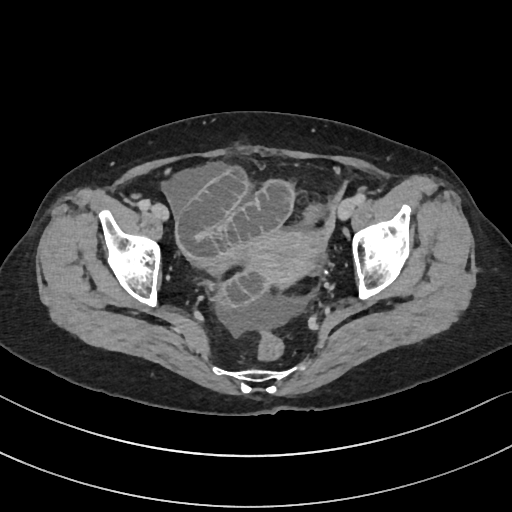 Abdominal CT · axial view · soft-tissue window (W 400 / L 40)
Boxes are (x1, y1, x2, y2) in pixels.
prostate/uterus: (246, 231, 319, 286)